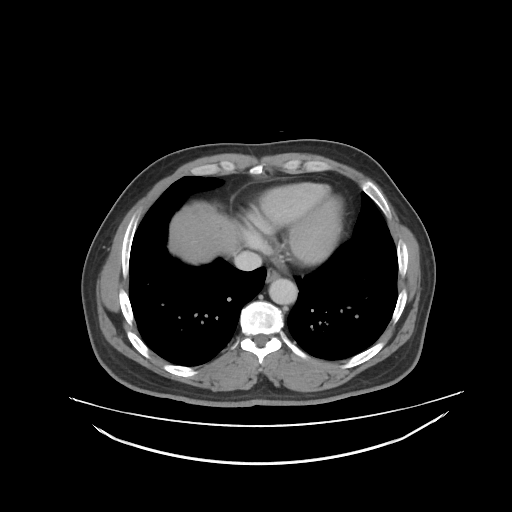
Abdominal CT; axial view; soft-tissue window (W 400 / L 40); acquired on Aquilion ONE
<organs><organ name="esophagus" x1="266" y1="266" x2="279" y2="281"/><organ name="liver" x1="169" y1="203" x2="239" y2="264"/><organ name="aorta" x1="269" y1="278" x2="297" y2="304"/><organ name="inferior vena cava" x1="234" y1="250" x2="262" y2="270"/></organs>